Computed tomography, abdomen · Axial slice 113/163 · soft-tissue window (W 400 / L 40) · 15 organs annotated in this scan (a whole-scan count: organs this slice does not pass through have no box)
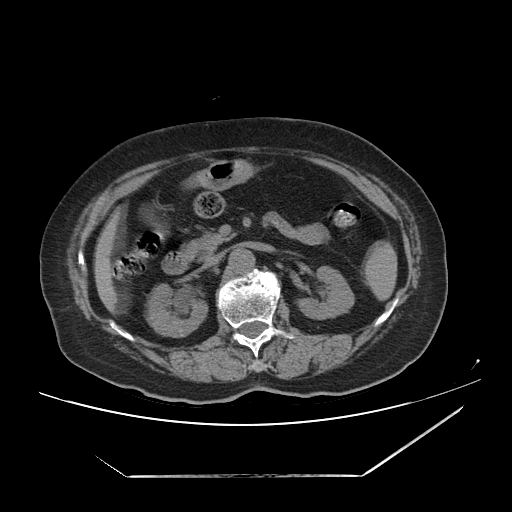

Boxes: x1 y1 x2 y2 (pixel coords, space-separated).
spleen: 363 241 397 300
right kidney: 145 283 207 337
left kidney: 297 266 354 319
gall bladder: 139 204 158 225
liver: 93 205 122 313
stomach: 187 159 255 190
aorta: 229 248 254 273
inferior vena cava: 204 252 224 267
pancreas: 187 230 233 257
duodenum: 162 245 194 274